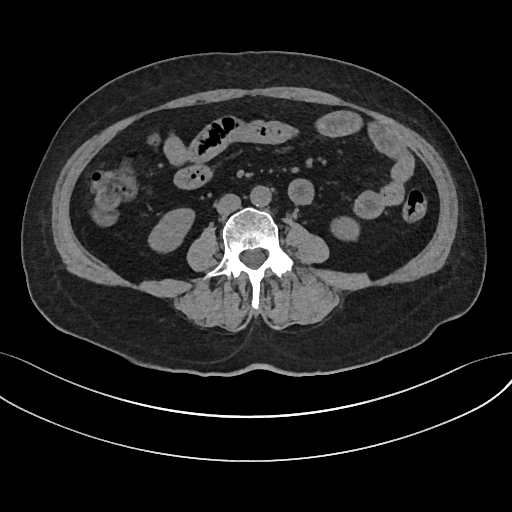
CT abdomen — Axial slice 101/207 — abdomen soft-tissue window — 15 organs annotated in this scan (a whole-scan count: organs this slice does not pass through have no box)
Boxes: x1:y1:x2:y2 in pixels. Labeled organs on this slice: left kidney at 331:219:359:239, inferior vena cava at 215:194:240:214, aorta at 249:185:271:206, right kidney at 150:207:195:252.